Chest-level slice from an abdominal CT that extends up into the chest — axial view — W/L 400/40 HU — 512x512 px — acquired on SOMATOM Force — 15 organs annotated in this scan (that count is for the whole scan; organs this slice misses have no box)
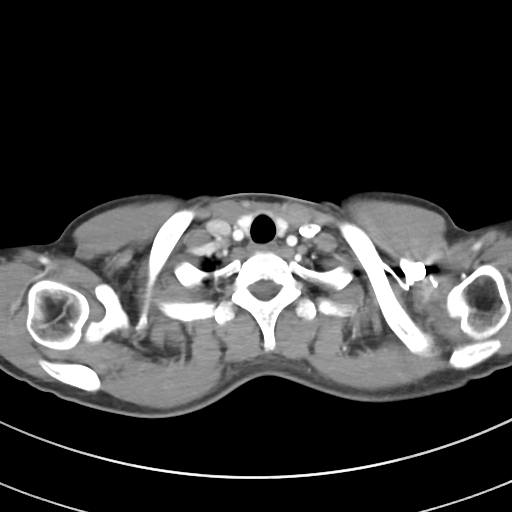 At this level of the chest no structure but the esophagus and the aorta has a label in this dataset, and those two are boxed only where they are labeled.
Organ boxes in pixel coordinates; each row gives the top-left (x1, y1) and bottom-right (x2, y2) corners.
| organ | x1 | y1 | x2 | y2 |
|---|---|---|---|---|
| esophagus | 248 | 243 | 275 | 253 |